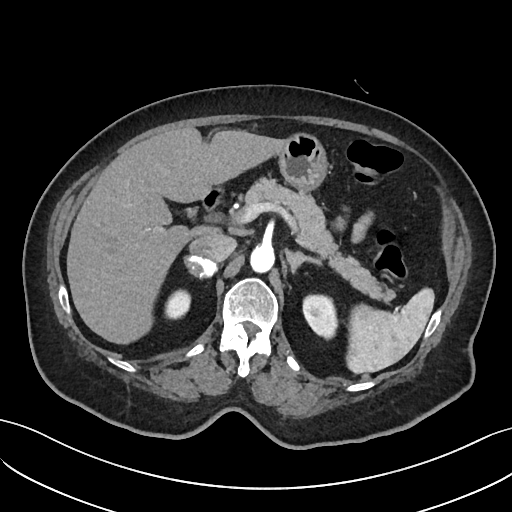 Computed tomography, abdomen; axial view; 512x512 px; SOMATOM Force scanner; scan has 15 labeled organs (counted over the whole 3D scan, not this slice; an organ is boxed only where this slice passes through it)
{"organs":{"left adrenal gland":[285,249,322,273],"liver":[67,127,285,344],"spleen":[346,287,434,373],"right adrenal gland":[185,255,215,276],"stomach":[278,132,327,190],"aorta":[250,245,274,273],"inferior vena cava":[189,232,235,261],"pancreas":[245,177,394,301],"duodenum":[202,186,223,210],"right kidney":[164,289,190,319],"left kidney":[303,294,337,338]}}